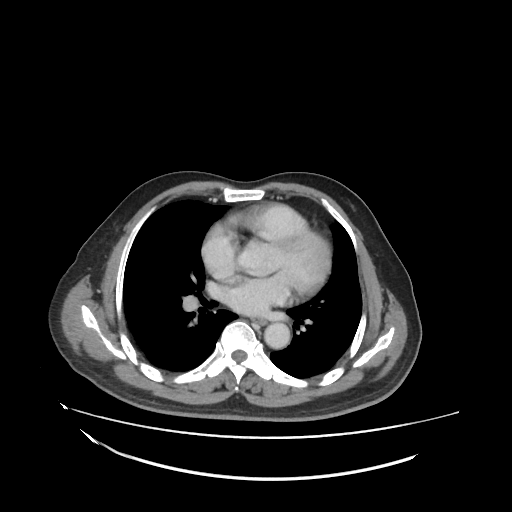
Chest-level slice from an abdominal CT that extends up into the chest. axial view. 66-year-old male patient. scan has 15 labeled organs (counted over the whole 3D scan, not this slice; an organ is boxed only where this slice passes through it)
At this level of the chest this dataset labels only the esophagus and the aorta, and each is boxed only where it is labeled; the heart and lungs are never labeled.
{"organs":{"aorta":[265,322,290,348],"esophagus":[252,316,268,325]}}